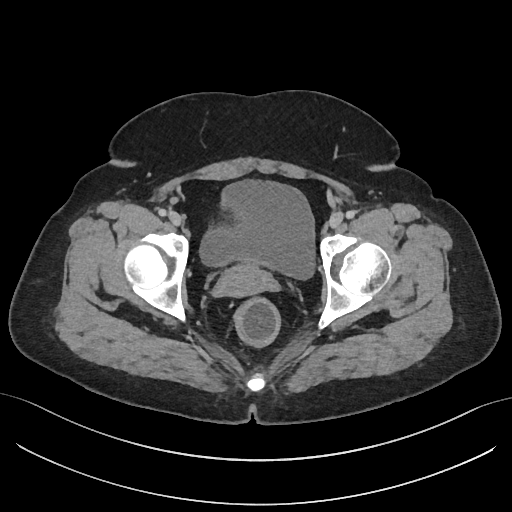 Computed tomography, abdomen. axial view. 512x512 px
{"organs":{"bladder":[199,180,314,279],"prostate/uterus":[218,263,268,296]}}